Computed tomography, abdomen · Axial slice 71/94 · soft-tissue window (W 400 / L 40) · 768x768 px · 59-year-old male patient · Brilliance16 scanner
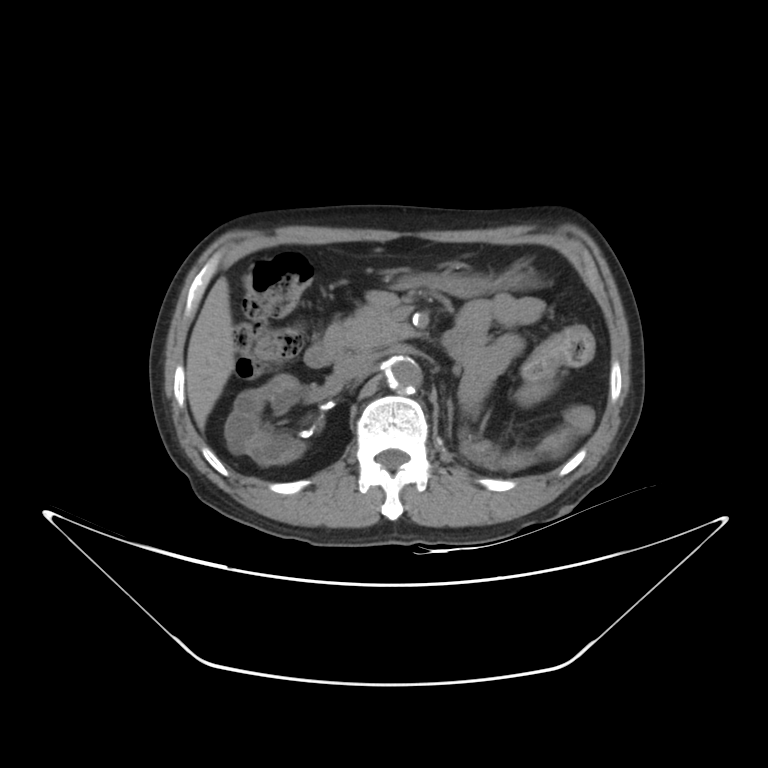
{"organs":{"right kidney":[224,374,305,465],"liver":[187,277,236,430],"stomach":[403,266,528,296],"aorta":[386,356,421,391],"inferior vena cava":[333,352,373,380],"pancreas":[323,291,492,458],"left adrenal gland":[446,397,452,434],"duodenum":[304,343,336,367]}}